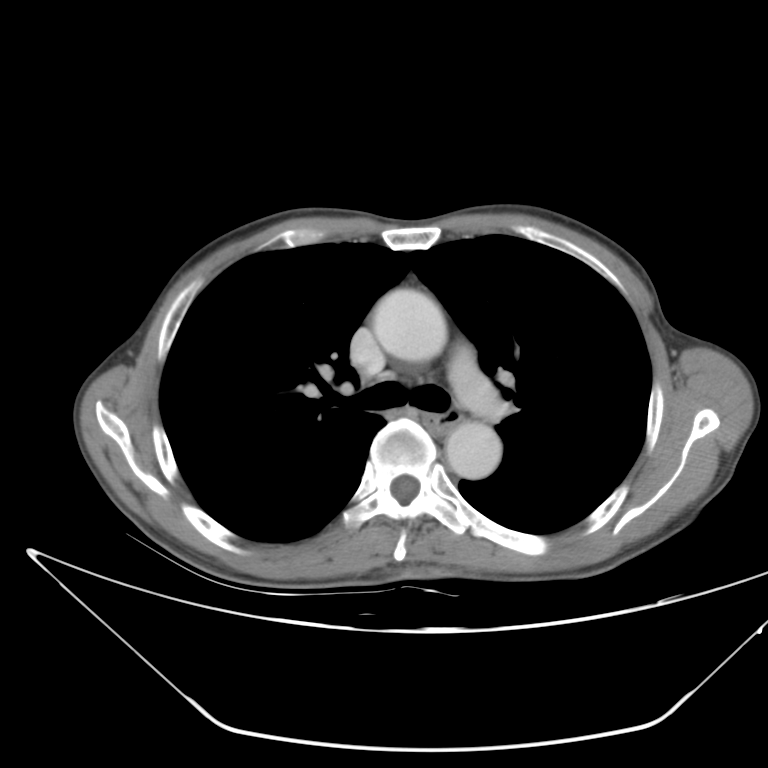 Chest-level CT slice, above the liver and spleen — Axial slice 81/104 — soft-tissue window
On a slice this high in the chest, this dataset labels only the esophagus and the aorta, and each is boxed only where it is labeled; the heart, lungs and other chest structures are not labeled.
<organs><organ name="esophagus" x1="421" y1="411" x2="462" y2="435"/><organ name="aorta" x1="370" y1="287" x2="443" y2="361"/><organ name="aorta" x1="445" y1="423" x2="502" y2="478"/></organs>